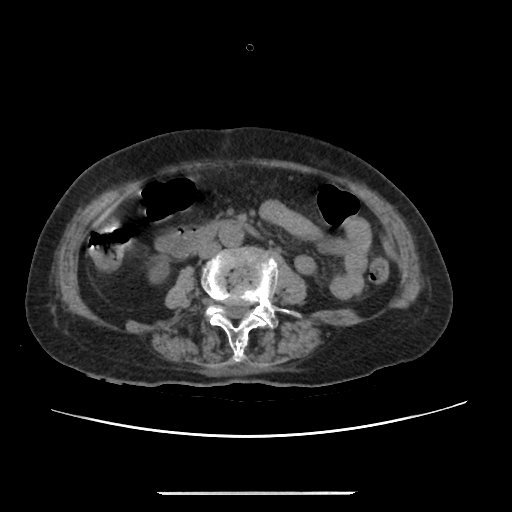 Computed tomography, abdomen — axial view — 512x512 px — acquired on SOMATOM Force
Organ boxes in pixel coordinates; each row gives the top-left (x1, y1) and bottom-right (x2, y2) corners.
| organ | x1 | y1 | x2 | y2 |
|---|---|---|---|---|
| right kidney | 149 | 259 | 170 | 280 |
| aorta | 220 | 225 | 245 | 246 |
| inferior vena cava | 198 | 242 | 220 | 258 |
| duodenum | 156 | 220 | 253 | 254 |